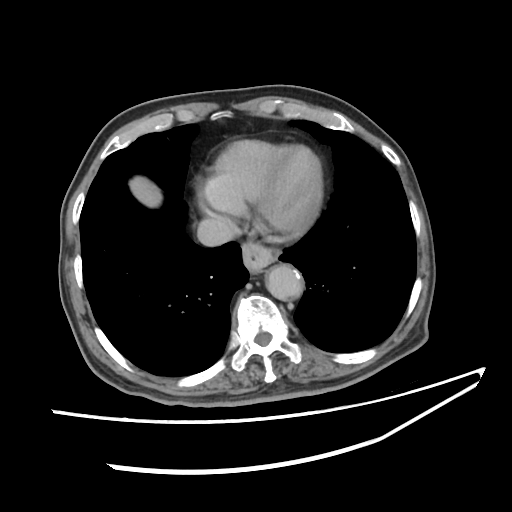

Computed tomography, abdomen; axial view; soft-tissue window (W 400 / L 40); 512x512 px; 83-year-old male patient; scan has 15 labeled organs (that count is for the whole scan; organs this slice misses have no box)
One row per box, in pixels: columns x1 and y1 give the top-left corner, x2 and y2 the bottom-right.
| organ | x1 | y1 | x2 | y2 |
|---|---|---|---|---|
| esophagus | 243 | 244 | 281 | 272 |
| liver | 128 | 177 | 162 | 206 |
| aorta | 266 | 263 | 304 | 300 |
| inferior vena cava | 197 | 217 | 234 | 245 |